Computed tomography, abdomen — axial view — 512x512 px — scan has 15 labeled organs (that count is for the whole scan; organs this slice misses have no box)
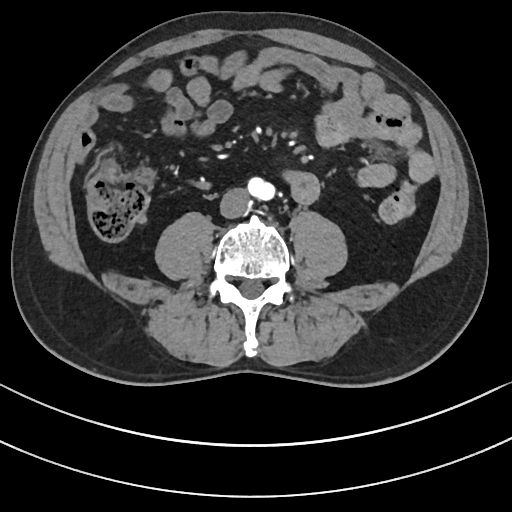

Boxes: x1:y1:x2:y2 in pixels.
inferior vena cava: 219:188:248:217